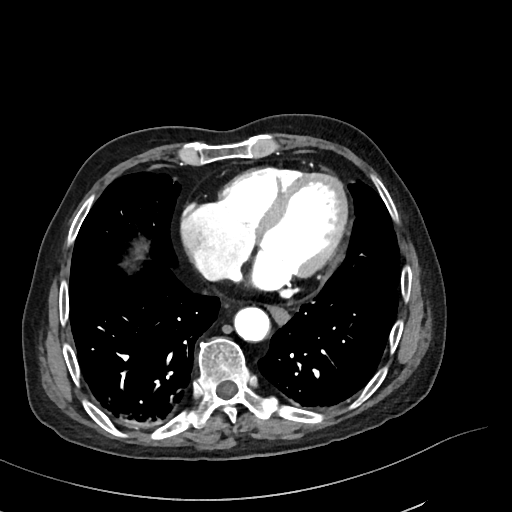

Lower-chest slice from an abdominal CT, just above the liver and spleen. Axial slice 220/235. 512x512 px
Of the structures in the chest, this dataset labels only the esophagus, the aorta and the inferior vena cava; the heart and lungs have no label. Box edges are left/top/right/bottom in pixels. Labeled organs on this slice: aorta at left=233, top=306, right=269, bottom=341, esophagus at left=269, top=306, right=289, bottom=323.